Abdominal CT — axial plane, index 164
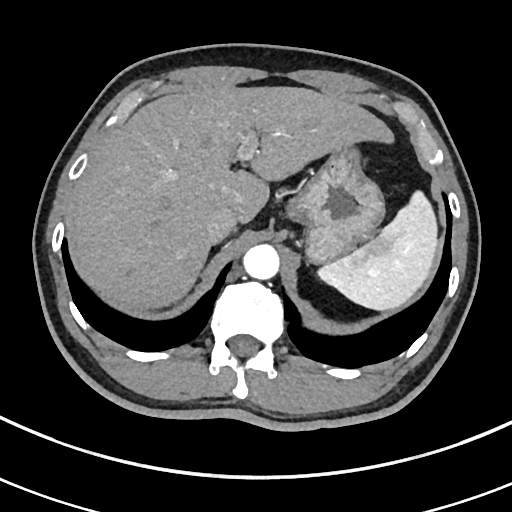 <organs><organ name="inferior vena cava" x1="204" y1="206" x2="236" y2="244"/><organ name="spleen" x1="321" y1="191" x2="439" y2="311"/><organ name="stomach" x1="290" y1="145" x2="385" y2="262"/><organ name="aorta" x1="243" y1="244" x2="278" y2="279"/><organ name="liver" x1="73" y1="86" x2="392" y2="310"/></organs>